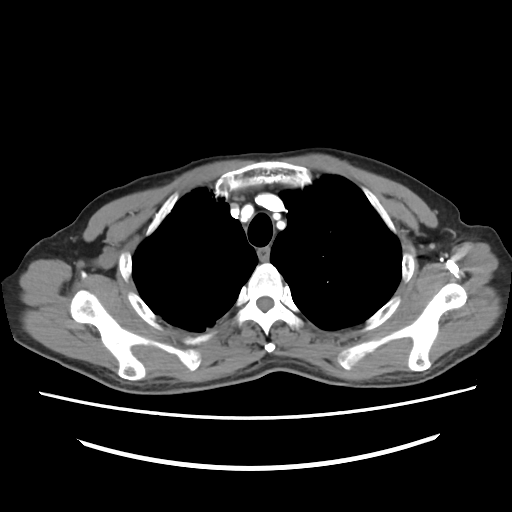 Chest-level slice from an abdominal CT that extends up into the chest — axial view — Aquilion ONE scanner
On a slice this high in the chest, this dataset labels only the esophagus and the aorta, and each is boxed only where it is labeled; the heart, lungs and other chest structures are not labeled.
Coordinates as <box>x1,y1,x2,y2</box> in pixels.
Organ bounding boxes:
- esophagus: <box>257,247,269,260</box>